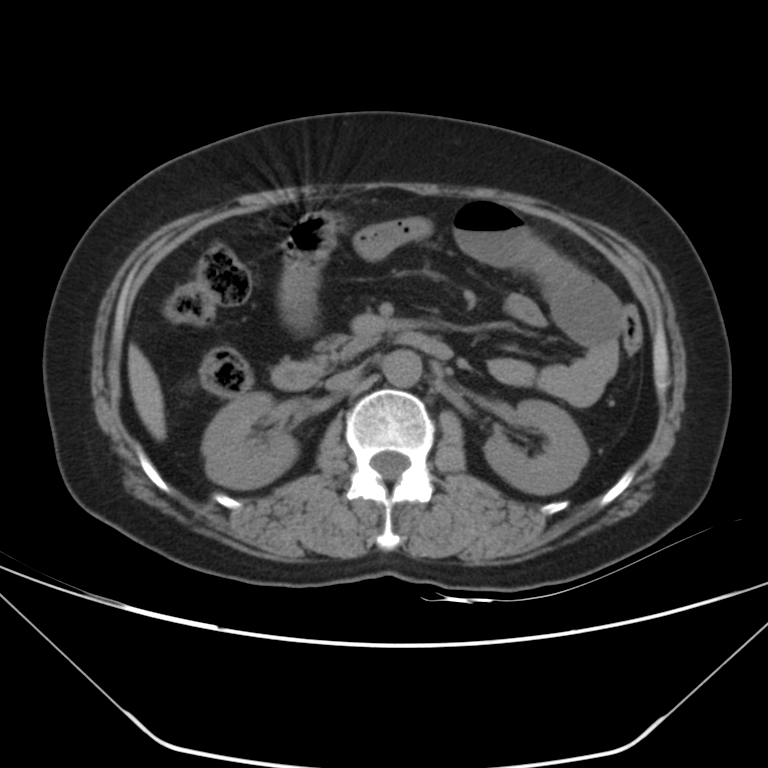
Computed tomography, abdomen · axial plane, index 52 · 40-year-old male patient · Brilliance16 scanner
{"organs":{"pancreas":[312,334,376,369],"aorta":[383,350,422,387],"duodenum":[271,331,453,390],"inferior vena cava":[326,365,362,390],"left kidney":[483,400,588,494],"liver":[127,344,165,440],"right kidney":[202,391,298,489]}}